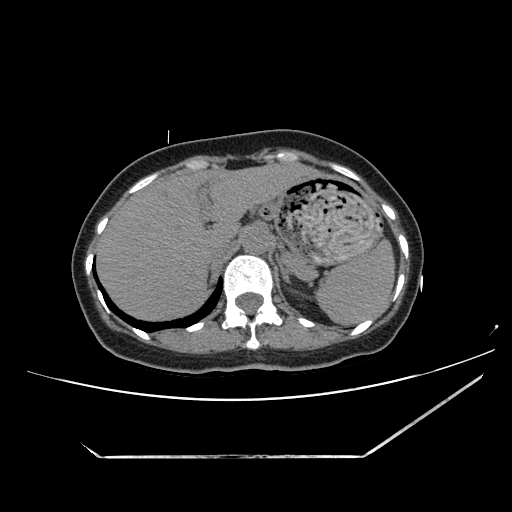 CT abdomen. axial view. 14 organs annotated in this scan (counted over the whole 3D scan, not this slice; an organ is boxed only where this slice passes through it)
One row per box, in pixels: columns x1 and y1 give the top-left corner, x2 and y2 the bottom-right.
| organ | x1 | y1 | x2 | y2 |
|---|---|---|---|---|
| stomach | 260 | 175 | 381 | 264 |
| liver | 98 | 163 | 319 | 321 |
| spleen | 316 | 238 | 394 | 324 |
| aorta | 241 | 227 | 274 | 254 |
| pancreas | 284 | 255 | 313 | 278 |
| left adrenal gland | 278 | 260 | 293 | 284 |
| inferior vena cava | 205 | 238 | 233 | 262 |